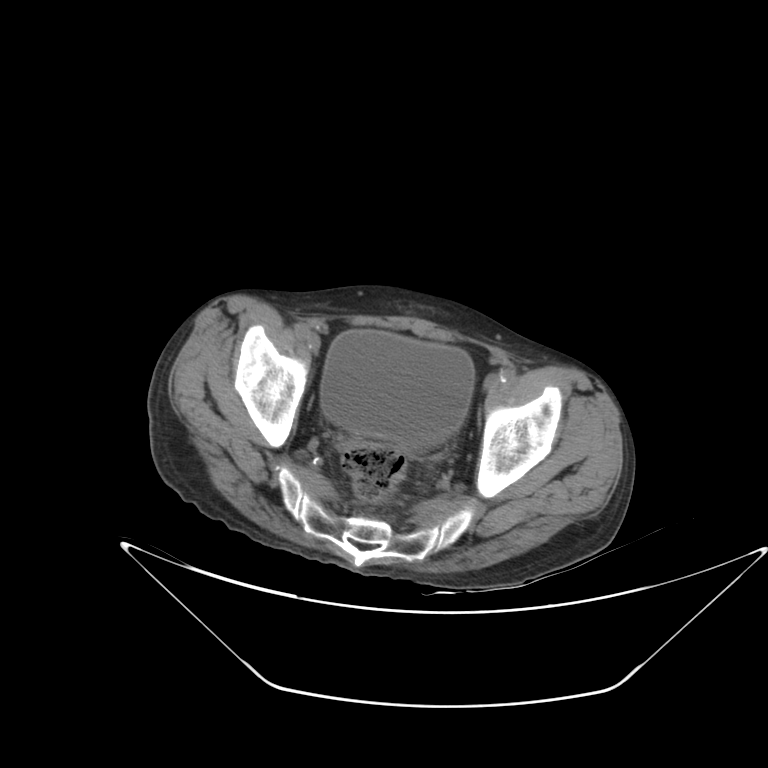
Abdominal CT. axial view. abdomen soft-tissue window. 768x768 px
Coordinates as <box>x1,y1,x2,y2</box> in pixels.
Organ bounding boxes:
- bladder: <box>320,330,474,449</box>